CT abdomen; axial view; 15 organs annotated in this scan (counted over the whole 3D scan, not this slice; an organ is boxed only where this slice passes through it)
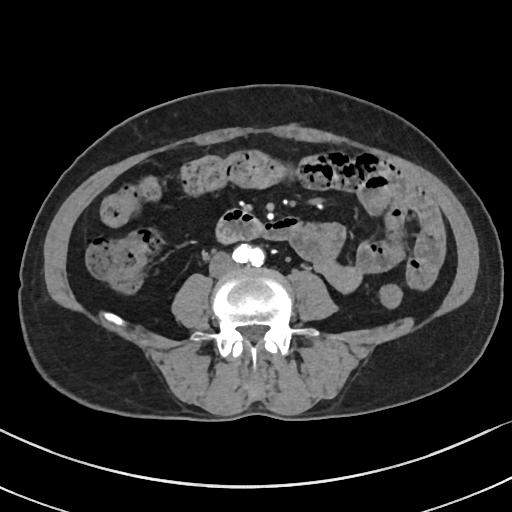
Organ boxes in pixel coordinates; each row gives the top-left (x1, y1) and bottom-right (x2, y2) corners.
| organ | x1 | y1 | x2 | y2 |
|---|---|---|---|---|
| aorta | 232 | 244 | 264 | 266 |
| inferior vena cava | 209 | 253 | 235 | 276 |
| duodenum | 216 | 208 | 264 | 243 |